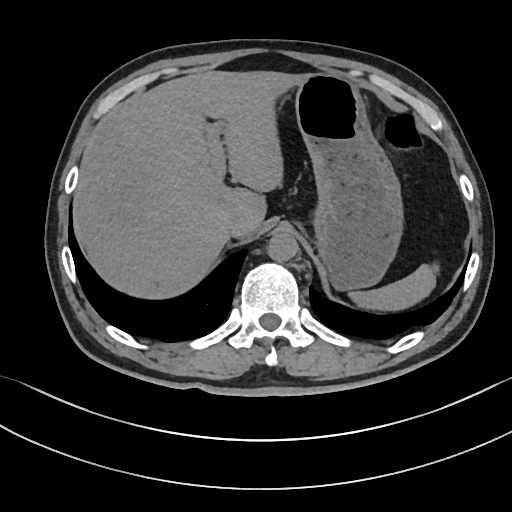 CT, abdomen/pelvis · axial view · acquired on SOMATOM Force
<organs><organ name="aorta" x1="267" y1="231" x2="298" y2="262"/><organ name="liver" x1="75" y1="71" x2="312" y2="298"/><organ name="inferior vena cava" x1="223" y1="211" x2="244" y2="236"/><organ name="stomach" x1="294" y1="74" x2="404" y2="289"/><organ name="spleen" x1="353" y1="263" x2="435" y2="308"/></organs>